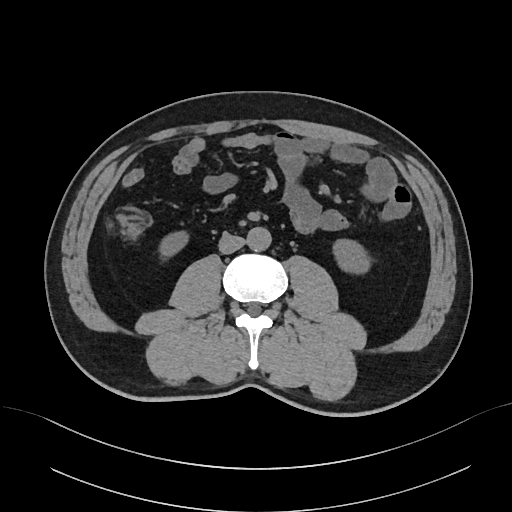

CT, abdomen/pelvis; axial view; acquired on SOMATOM Force; 15 organs annotated in this scan (that count is for the whole scan; organs this slice misses have no box)
Box edges are left/top/right/bottom in pixels.
Organ bounding boxes:
- left kidney: left=333, top=238, right=368, bottom=271
- right kidney: left=161, top=231, right=188, bottom=254
- aorta: left=246, top=227, right=270, bottom=251
- inferior vena cava: left=218, top=233, right=244, bottom=253